CT, abdomen/pelvis; axial view; soft-tissue window; 512x512 px; scan has 15 labeled organs (a whole-scan count: organs this slice does not pass through have no box)
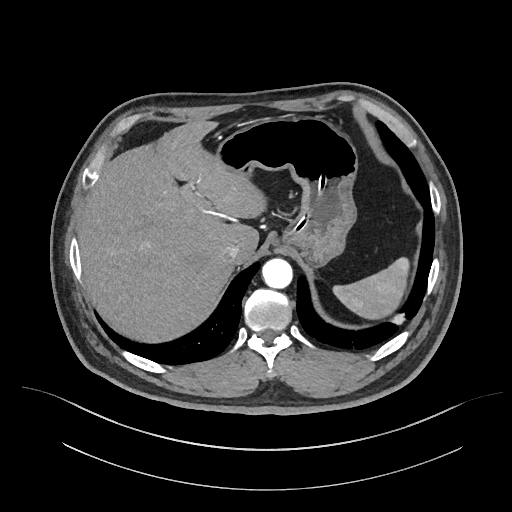 {"organs":{"stomach":[215,116,357,266],"aorta":[262,258,292,288],"liver":[78,120,266,342],"inferior vena cava":[222,243,239,260],"spleen":[333,257,409,319]}}